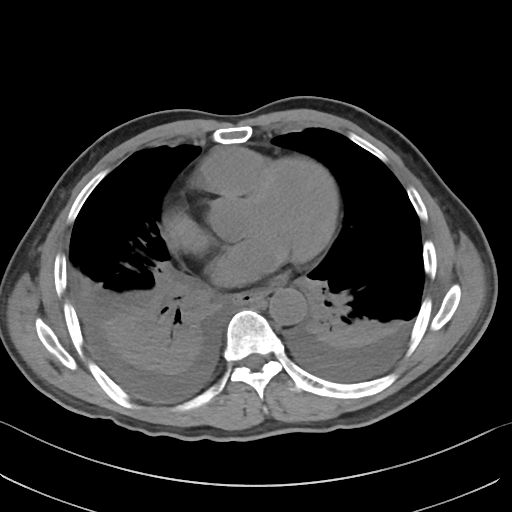
Lower-chest slice from an abdominal CT, just above the liver and spleen — axial view — soft-tissue window — 512x512 px — acquired on SOMATOM Force
Of the structures in the chest, this dataset labels only the esophagus, the aorta and the inferior vena cava; the heart and lungs have no label. Box edges are left/top/right/bottom in pixels. Labeled organs on this slice: aorta at left=269, top=287, right=307, bottom=324, esophagus at left=232, top=290, right=265, bottom=304.